Abdominal CT; Axial slice 50/222; abdomen soft-tissue window; 512x512 px
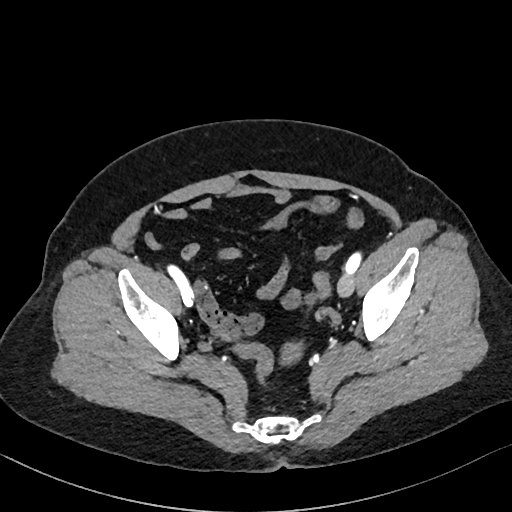

One row per box, in pixels: columns x1 and y1 give the top-left corner, x2 and y2 the bottom-right.
| organ | x1 | y1 | x2 | y2 |
|---|---|---|---|---|
| prostate/uterus | 280 | 344 | 300 | 364 |